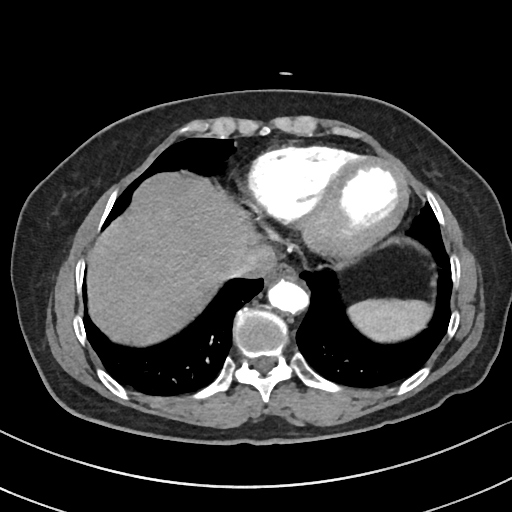

CT abdomen — Axial slice 197/294
Boxes are (x1, y1, x2, y2) in pixels.
spleen: (349, 300, 429, 341)
esophagus: (265, 261, 295, 282)
liver: (86, 171, 261, 345)
aorta: (267, 279, 308, 315)
inferior vena cava: (220, 243, 275, 280)